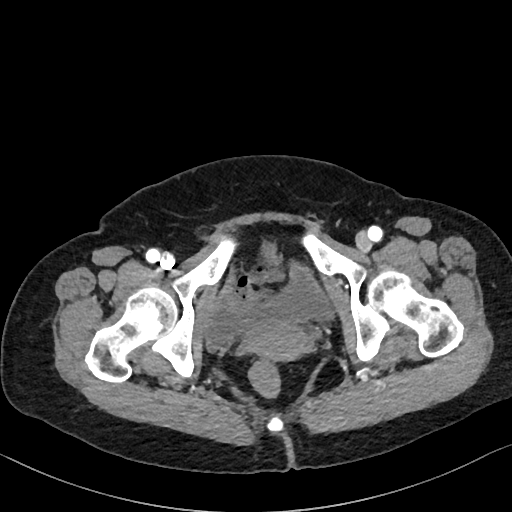

Computed tomography, abdomen · axial view · soft-tissue window · 512x512 px
Coordinates as <box>x1,y1,x2,y2</box> in pixels. The annotated organs in this slice are: bladder at <box>201,266,334,350</box>, prostate/uterus at <box>247,324,311,361</box>.